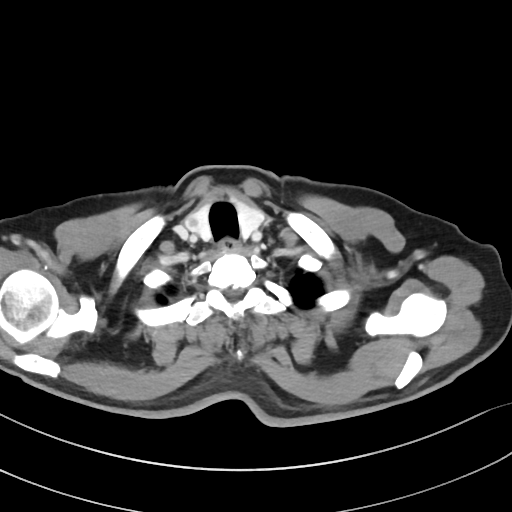 CT of the abdomen extending into the chest, slice through the chest; Axial slice 122/128; acquired on SOMATOM Force
On a slice this high in the chest, this dataset labels only the esophagus and the aorta, and each is boxed only where it is labeled; the heart, lungs and other chest structures are not labeled.
<organs><organ name="esophagus" x1="219" y1="239" x2="240" y2="254"/></organs>